CT abdomen; axial view
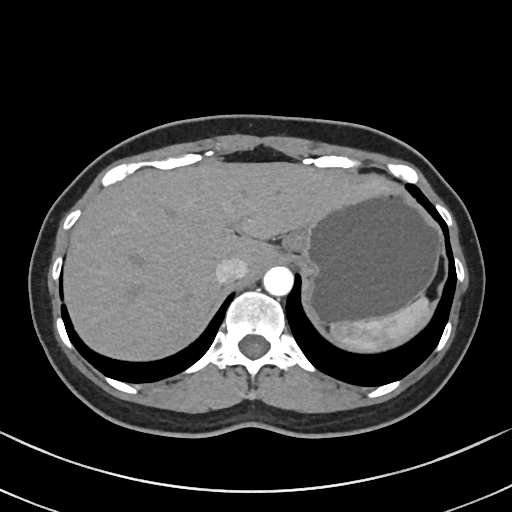

Box edges are left/top/right/bottom in pixels.
Organ bounding boxes:
- spleen: left=330, top=297, right=432, bottom=353
- liver: left=62, top=160, right=391, bottom=362
- stomach: left=283, top=185, right=440, bottom=325
- aorta: left=263, top=266, right=293, bottom=295
- inferior vena cava: left=215, top=257, right=248, bottom=283